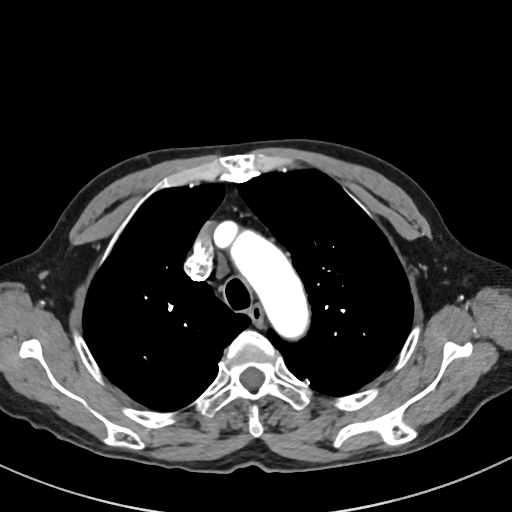

Chest-level CT slice, above the liver and spleen · axial view · soft-tissue window · 512x512 px
At this level of the chest this dataset labels only the esophagus and the aorta, and each is boxed only where it is labeled; the heart and lungs are never labeled.
Coordinates as <box>x1,y1,x2,y2</box> in pixels.
Organ bounding boxes:
- esophagus: <box>249,304,263,324</box>
- aorta: <box>234,233,305,334</box>